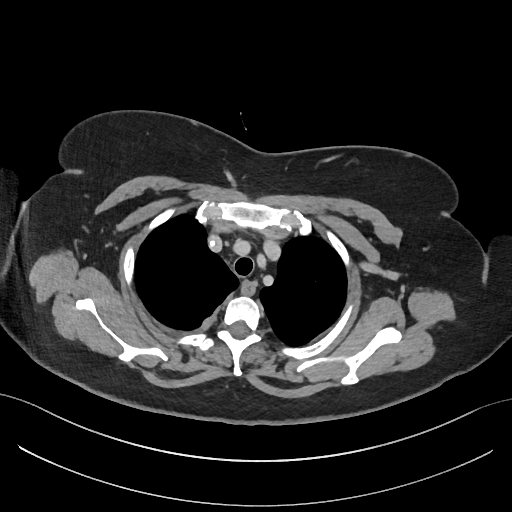

Chest-level CT slice, above the liver and spleen · axial view · soft-tissue window (W 400 / L 40)
At this level of the chest this dataset labels only the esophagus and the aorta, and each is boxed only where it is labeled; the heart and lungs are never labeled. Coordinates as <box>x1,y1,x2,y2</box> in pixels. The annotated organs in this slice are: esophagus at <box>241,280,255,293</box>.